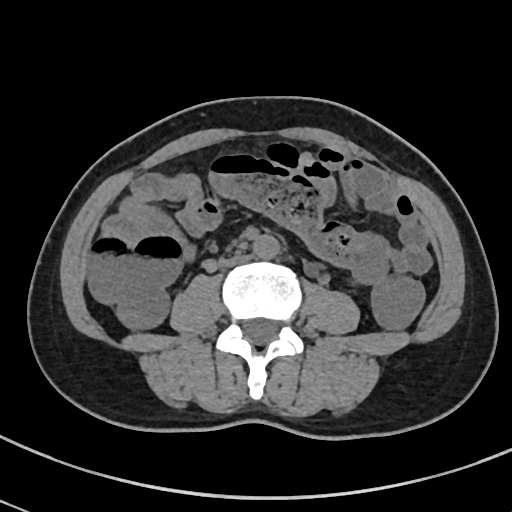 Computed tomography, abdomen — axial plane, index 110 — soft-tissue window — 512x512 px
Coordinates as <box>x1,y1,x2,y2</box> in pixels. Labeled organs on this slice: aorta at <box>252,235,279,259</box>, inferior vena cava at <box>224,254,252,264</box>.